CT of the abdomen extending into the chest, slice through the chest · axial view · soft-tissue window (W 400 / L 40)
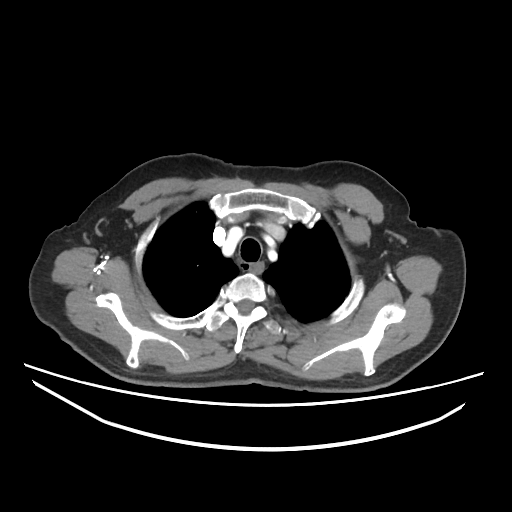
At this level of the chest this dataset labels only the esophagus and the aorta, and each is boxed only where it is labeled; the heart and lungs are never labeled.
Boxes: x1:y1:x2:y2 in pixels.
Organ bounding boxes:
- esophagus: 248:262:261:274